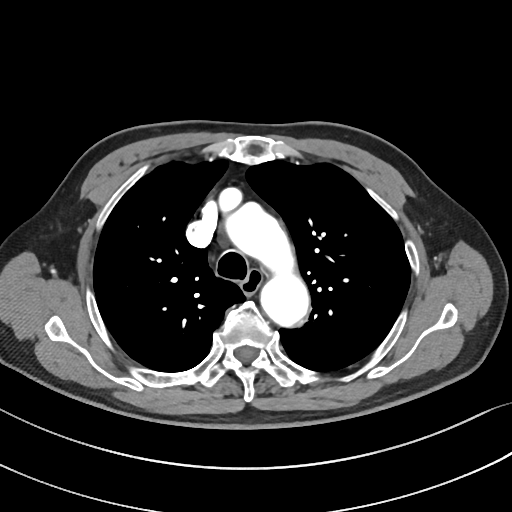
CT of the abdomen extending into the chest, slice through the chest. axial plane, index 266. soft-tissue window. 512x512 px
At this level of the chest no structure but the esophagus and the aorta has a label in this dataset, and those two are boxed only where they are labeled. Each box given as x1,y1,x2,y2. 2 labeled organs on this slice — esophagus at x1=241, y1=269, x2=261, y2=294; aorta at x1=230, y1=203, x2=308, y2=324.